CT abdomen. Axial slice 47/111. 512x512 px
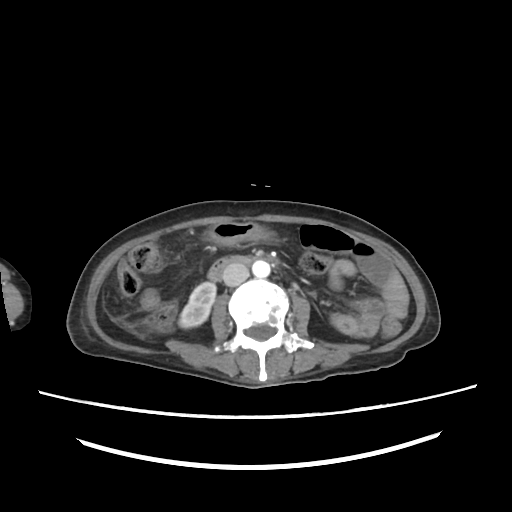

Box edges are left/top/right/bottom in pixels. 5 labeled organs on this slice — right kidney at left=179, top=282, right=216, bottom=328; stomach at left=204, top=222, right=274, bottom=246; aorta at left=252, top=260, right=270, bottom=277; inferior vena cava at left=222, top=264, right=249, bottom=286; duodenum at left=208, top=255, right=256, bottom=281.